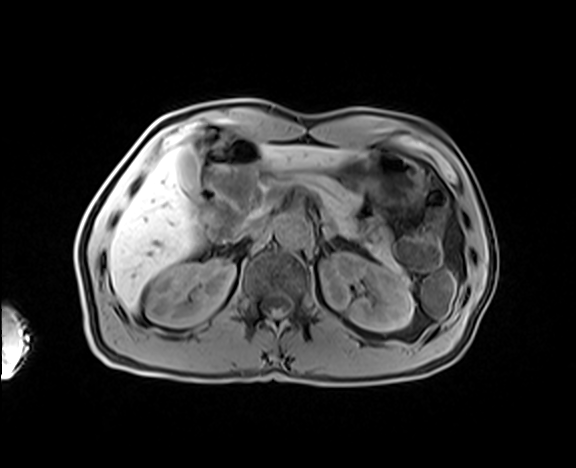
Magnetic resonance imaging, abdomen · axial view
<organs><organ name="right kidney" x1="145" y1="259" x2="235" y2="326"/><organ name="left kidney" x1="320" y1="252" x2="414" y2="331"/><organ name="gall bladder" x1="176" y1="148" x2="204" y2="206"/><organ name="liver" x1="108" y1="145" x2="364" y2="311"/><organ name="stomach" x1="280" y1="151" x2="423" y2="205"/><organ name="aorta" x1="276" y1="216" x2="311" y2="246"/><organ name="inferior vena cava" x1="237" y1="217" x2="265" y2="237"/><organ name="pancreas" x1="291" y1="176" x2="416" y2="287"/><organ name="left adrenal gland" x1="321" y1="227" x2="336" y2="240"/></organs>